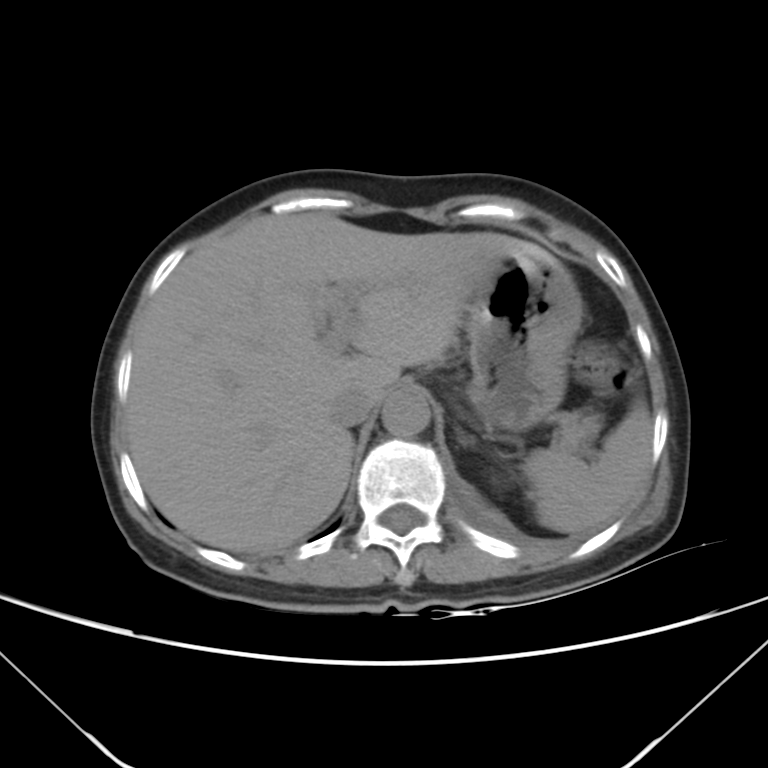 CT, abdomen/pelvis. axial view. 63-year-old female patient. acquired on Brilliance16
Boxes: x1:y1:x2:y2 in pixels.
spleen: 522:403:650:533
liver: 127:213:538:552
stomach: 466:250:582:432
aorta: 382:391:430:435
inferior vena cava: 330:386:378:427
pancreas: 557:412:601:453